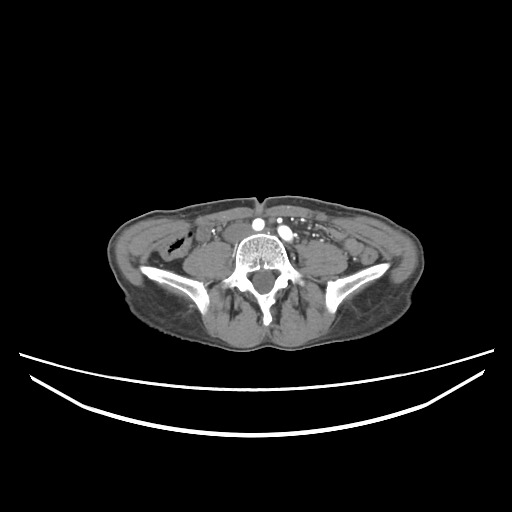 Computed tomography, abdomen — Axial slice 38/118 — soft-tissue window (W 400 / L 40) — 512x512 px — 50-year-old male patient — scan has 14 labeled organs (counted over the whole 3D scan, not this slice; an organ is boxed only where this slice passes through it)
One row per box, in pixels: columns x1 and y1 give the top-left corner, x2 and y2 the bottom-right.
| organ | x1 | y1 | x2 | y2 |
|---|---|---|---|---|
| inferior vena cava | 223 | 222 | 250 | 242 |